CT abdomen; axial view; abdomen soft-tissue window; 66-year-old female patient
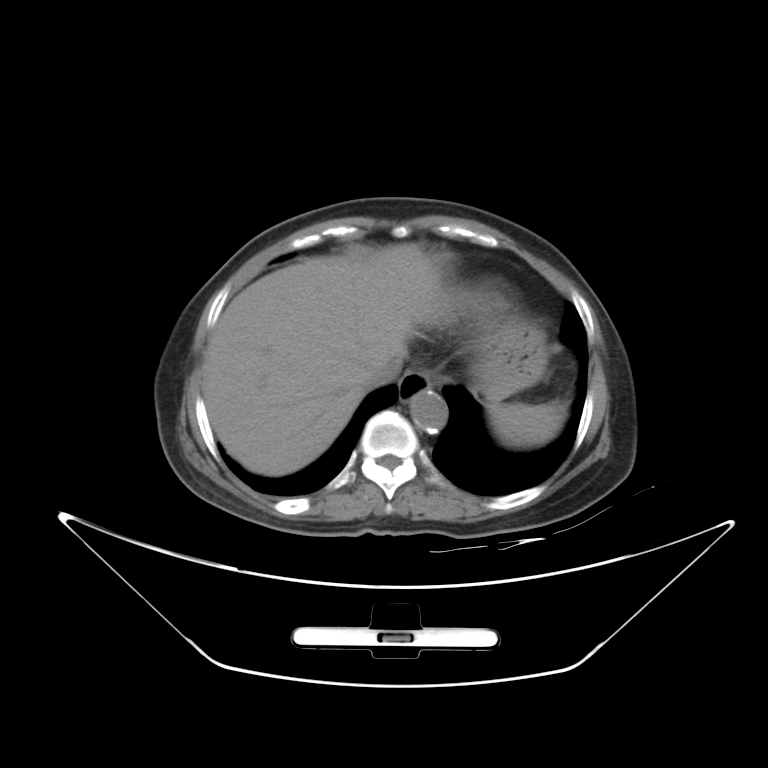
<organs><organ name="inferior vena cava" x1="363" y1="357" x2="403" y2="389"/><organ name="esophagus" x1="399" y1="371" x2="434" y2="401"/><organ name="aorta" x1="409" y1="390" x2="447" y2="432"/><organ name="spleen" x1="486" y1="401" x2="565" y2="447"/><organ name="stomach" x1="480" y1="320" x2="547" y2="400"/><organ name="liver" x1="203" y1="242" x2="445" y2="475"/></organs>